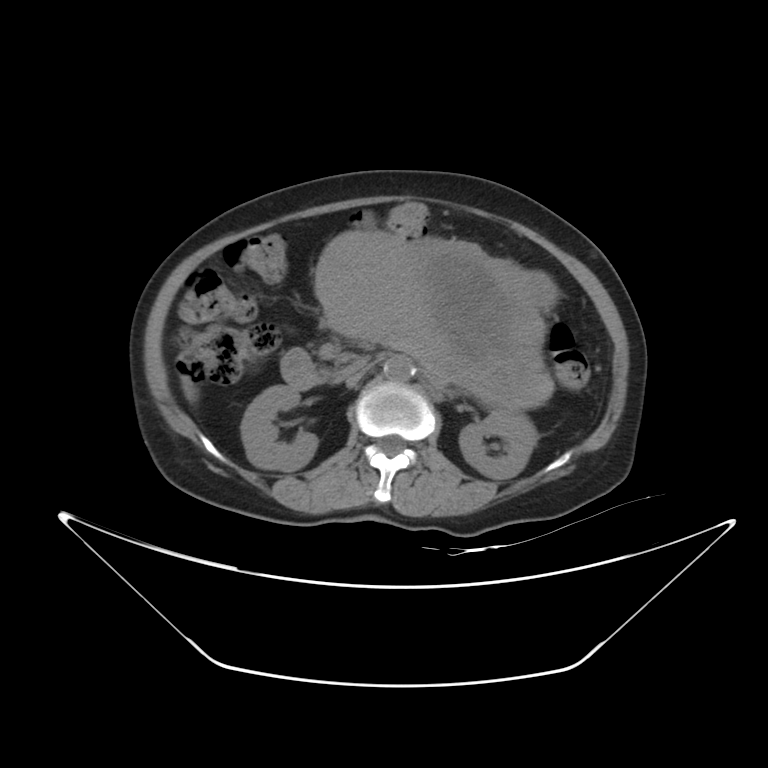 Computed tomography, abdomen — axial plane, index 58 — acquired on Brilliance16
One row per box, in pixels: columns x1 and y1 give the top-left corner, x2 and y2 the bottom-right.
| organ | x1 | y1 | x2 | y2 |
|---|---|---|---|---|
| stomach | 317 | 229 | 552 | 389 |
| left kidney | 458 | 407 | 537 | 479 |
| aorta | 383 | 354 | 414 | 381 |
| right kidney | 240 | 385 | 318 | 470 |
| inferior vena cava | 345 | 362 | 370 | 387 |
| pancreas | 421 | 356 | 551 | 406 |
| duodenum | 281 | 348 | 349 | 389 |